CT, abdomen/pelvis. axial view. 512x512 px. 47-year-old male patient
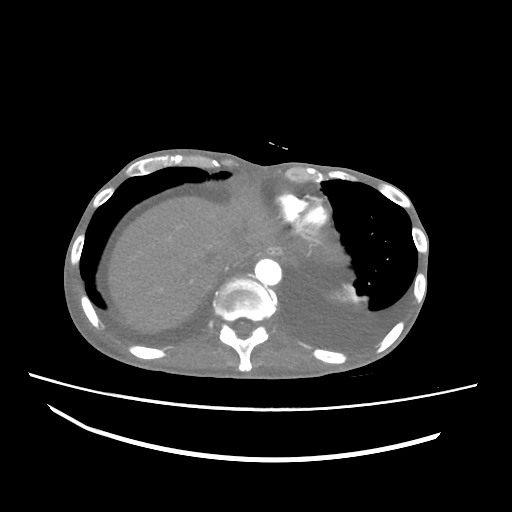 Boxes: x1:y1:x2:y2 in pixels.
Organ bounding boxes:
- esophagus: 262:248:285:255
- liver: 107:184:280:332
- aorta: 255:258:281:285
- inferior vena cava: 213:250:241:271